Abdominal CT · axial view · soft-tissue window (W 400 / L 40) · acquired on SOMATOM Force · 15 organs annotated in this scan (a whole-scan count: organs this slice does not pass through have no box)
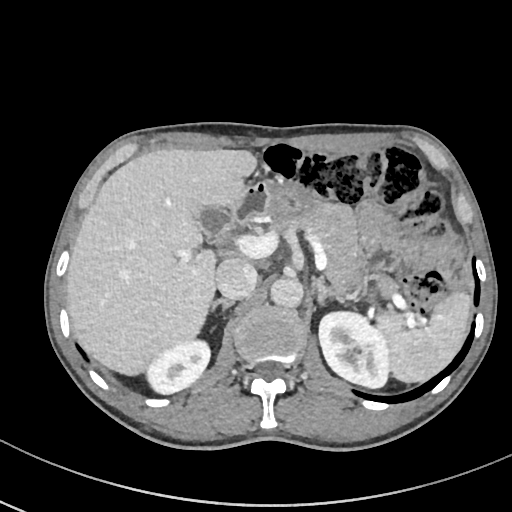 Coordinates as <box>x1,y1,x2,y2</box> in pixels.
Organ bounding boxes:
- spleen: <box>376,292,471,382</box>
- right kidney: <box>146,338,210,393</box>
- left kidney: <box>319,311,390,388</box>
- gall bladder: <box>197,206,231,237</box>
- liver: <box>66,148,256,375</box>
- stomach: <box>262,181,318,217</box>
- aorta: <box>270,276,303,307</box>
- inferior vena cava: <box>215,257,258,299</box>
- pancreas: <box>273,203,399,297</box>
- right adrenal gland: <box>210,298,233,310</box>
- left adrenal gland: <box>317,277,344,304</box>
- duodenum: <box>229,182,265,223</box>